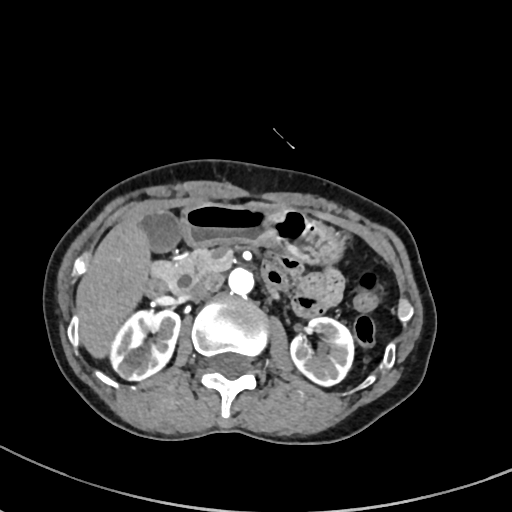
CT, abdomen/pelvis · axial plane, index 146 · 512x512 px
Box edges are left/top/right/bottom in pixels. The annotated organs in this slice are: right kidney at left=108, top=308, right=180, bottom=380, left kidney at left=291, top=317, right=353, bottom=386, gall bladder at left=143, top=211, right=182, bottom=252, liver at left=78, top=214, right=149, bottom=356, stomach at left=181, top=202, right=344, bottom=263, aorta at left=228, top=267, right=254, bottom=294, inferior vena cava at left=186, top=273, right=223, bottom=299, pancreas at left=150, top=248, right=229, bottom=296, duodenum at left=143, top=260, right=287, bottom=297.